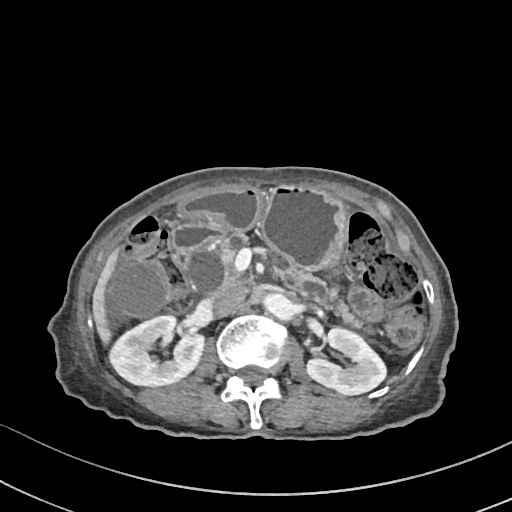
CT abdomen · Axial slice 166/236 · soft-tissue window (W 400 / L 40) · 512x512 px · SOMATOM Force scanner · 15 organs annotated in this scan (counted over the whole 3D scan, not this slice; an organ is boxed only where this slice passes through it)
Organ boxes in pixel coordinates; each row gives the top-left (x1, y1) and bottom-right (x2, y2) corners.
| organ | x1 | y1 | x2 | y2 |
|---|---|---|---|---|
| right kidney | 106 | 316 | 204 | 385 |
| left kidney | 306 | 328 | 386 | 394 |
| gall bladder | 111 | 260 | 167 | 319 |
| liver | 91 | 245 | 120 | 344 |
| stomach | 180 | 188 | 346 | 270 |
| aorta | 262 | 292 | 294 | 320 |
| inferior vena cava | 212 | 286 | 248 | 317 |
| pancreas | 214 | 235 | 371 | 333 |
| duodenum | 171 | 222 | 225 | 266 |